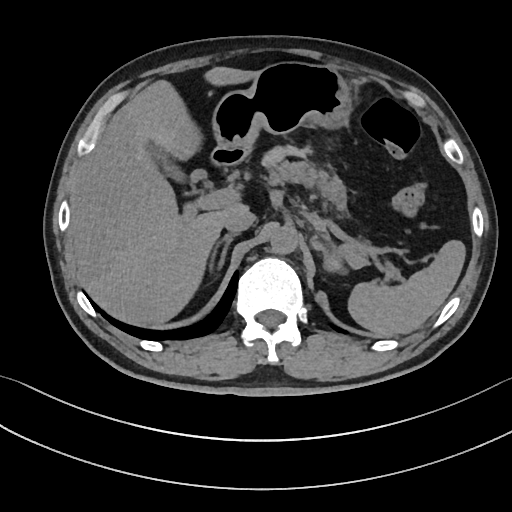
Computed tomography, abdomen; axial view; 512x512 px; SOMATOM Force scanner
{"organs":{"spleen":[349,240,466,335],"gall bladder":[142,138,207,185],"liver":[67,67,254,327],"stomach":[210,61,348,157],"aorta":[269,226,297,253],"inferior vena cava":[224,208,256,232],"pancreas":[263,159,348,210],"right adrenal gland":[210,233,239,265],"left adrenal gland":[322,260,332,269],"duodenum":[209,149,245,164]}}